CT abdomen — axial view — 50-year-old female patient — acquired on Aquilion ONE — 15 organs annotated in this scan (that count is for the whole scan; organs this slice misses have no box)
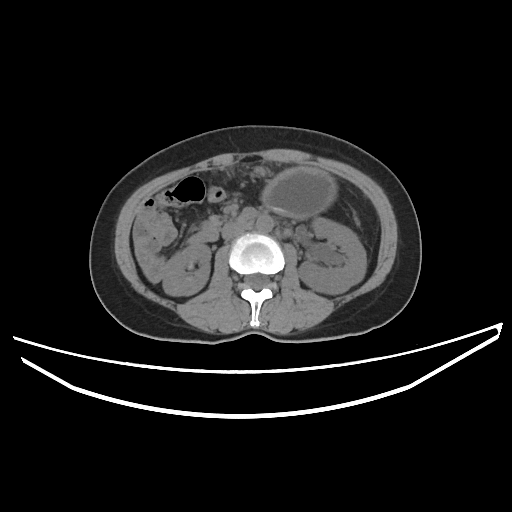

Coordinates as <box>x1,y1,x2,y2</box> in pixels.
pancreas: <box>210,217,222,227</box>
inferior vena cava: <box>222,222,246,239</box>
stomach: <box>261,167,337,218</box>
aorta: <box>256,215,273,232</box>
right kidney: <box>163,244,210,295</box>
left kidney: <box>298,218,366,294</box>